Computed tomography, abdomen; axial plane, index 62
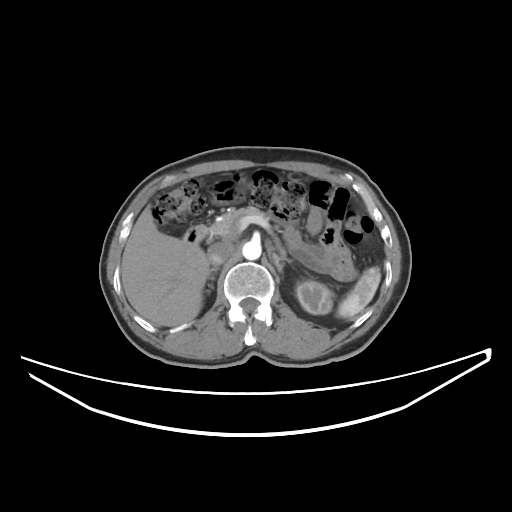

Coordinates as <box>x1,y1,x2,y2</box> in pixels.
Organ bounding boxes:
- spleen: <box>337,266,380,319</box>
- left kidney: <box>296,281,333,314</box>
- liver: <box>121,205,209,326</box>
- aorta: <box>242,240,261,260</box>
- inferior vena cava: <box>208,241,234,265</box>
- pancreas: <box>211,206,265,238</box>
- right adrenal gland: <box>206,266,218,293</box>
- left adrenal gland: <box>273,253,291,269</box>
- duodenum: <box>184,224,210,244</box>